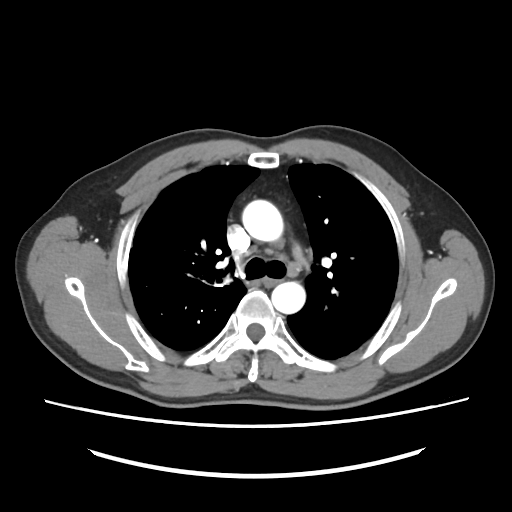
Chest-level CT slice, above the liver and spleen; axial view; soft-tissue window, W/L 400/40; 46-year-old male patient
On a slice this high in the chest, this dataset labels only the esophagus and the aorta, and each is boxed only where it is labeled; the heart, lungs and other chest structures are not labeled.
Organ boxes in pixel coordinates; each row gives the top-left (x1, y1) and bottom-right (x2, y2) corners.
| organ | x1 | y1 | x2 | y2 |
|---|---|---|---|---|
| esophagus | 261 | 277 | 279 | 285 |
| aorta | 242 | 200 | 283 | 241 |
| aorta | 271 | 281 | 305 | 313 |